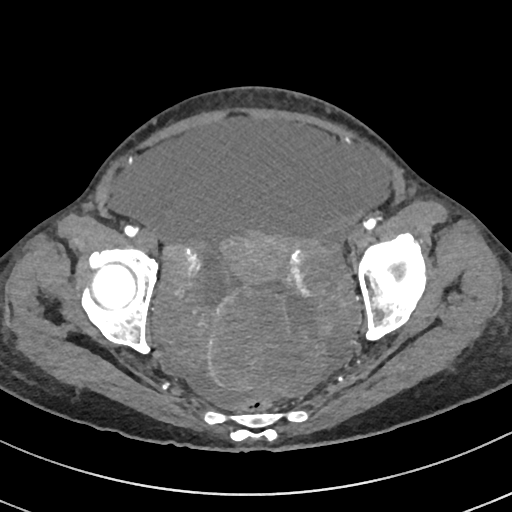

CT, abdomen/pelvis; axial view; W/L 400/40 HU; 512x512 px; acquired on SOMATOM Force
Box edges are left/top/right/bottom in pixels.
Organ bounding boxes:
- prostate/uterus: left=219, top=231, right=291, bottom=283